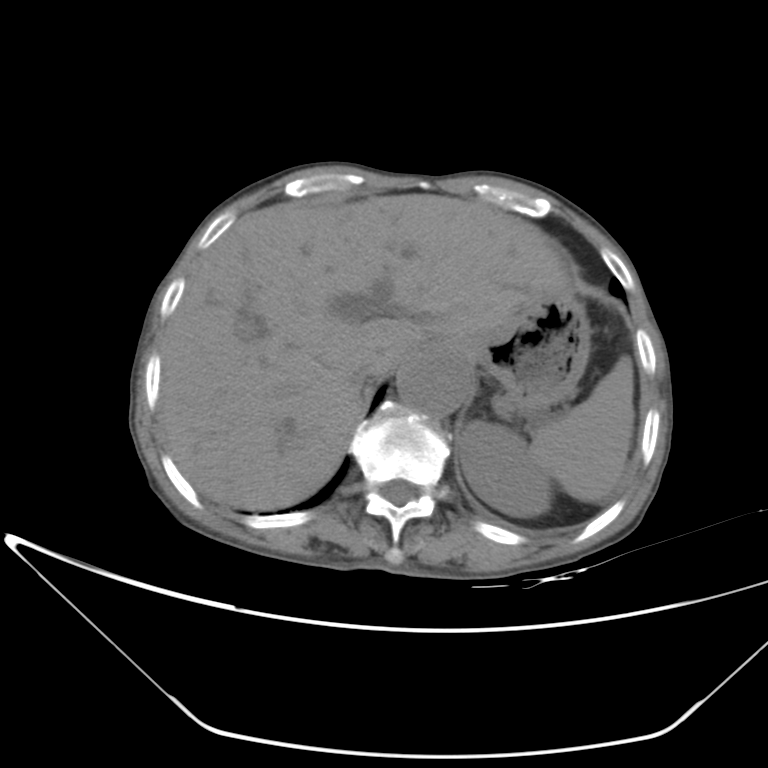

Computed tomography, abdomen. axial plane, index 69
Coordinates as <box>x1,y1,x2,y2</box> in pixels. Labeled organs on this slice: left kidney at <box>458,421,551,517</box>, stomach at <box>442,287,590,418</box>, aorta at <box>396,351,470,416</box>, inferior vena cava at <box>352,366,382,387</box>, left adrenal gland at <box>493,394,514,420</box>, liver at <box>161,193,564,510</box>, spleen at <box>529,356,634,502</box>.